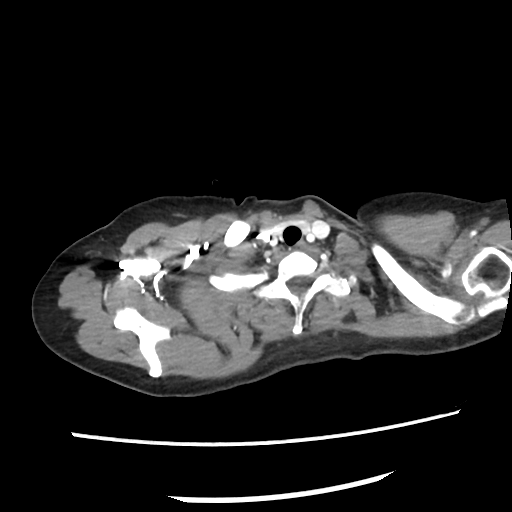 Chest-level CT slice, above the liver and spleen — axial view — soft-tissue window
At this level of the chest this dataset labels only the esophagus and the aorta, and each is boxed only where it is labeled; the heart and lungs are never labeled.
{"organs":{"esophagus":[294,241,306,249]}}